CT abdomen — axial plane, index 166 — soft-tissue window — 512x512 px
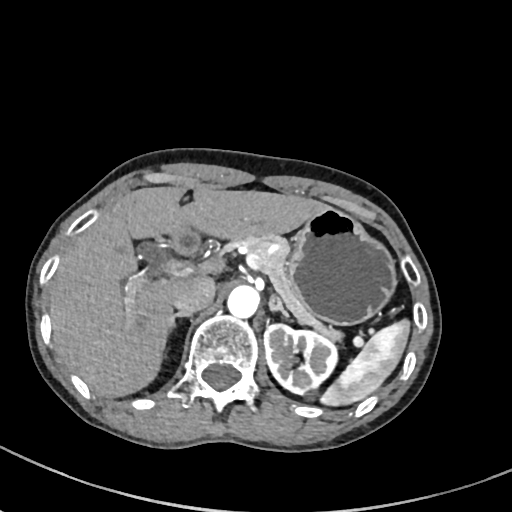
One row per box, in pixels: columns x1 and y1 give the top-left corner, x2 and y2 the bottom-right.
| organ | x1 | y1 | x2 | y2 |
|---|---|---|---|---|
| spleen | 320 | 320 | 411 | 405 |
| left kidney | 264 | 323 | 339 | 400 |
| liver | 49 | 185 | 327 | 396 |
| stomach | 291 | 206 | 393 | 324 |
| aorta | 228 | 284 | 259 | 317 |
| inferior vena cava | 172 | 276 | 215 | 313 |
| pancreas | 219 | 234 | 345 | 342 |
| right adrenal gland | 171 | 312 | 187 | 324 |
| left adrenal gland | 269 | 294 | 288 | 318 |
| duodenum | 171 | 224 | 201 | 256 |